Abdominal CT — axial view — abdomen soft-tissue window — 512x512 px — acquired on SOMATOM Force
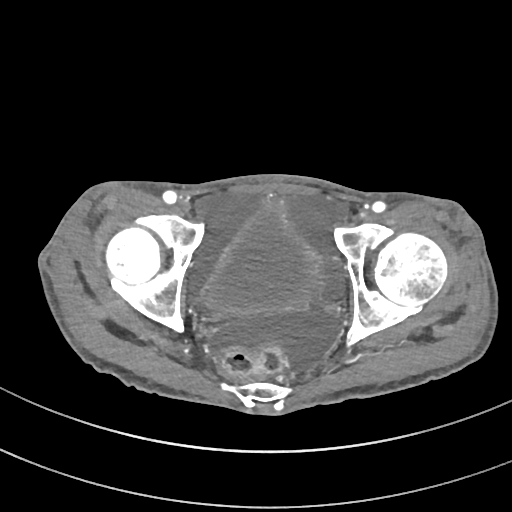 <organs><organ name="bladder" x1="200" y1="203" x2="330" y2="314"/></organs>